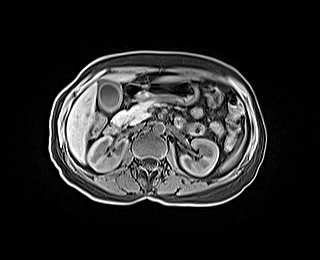 Magnetic resonance imaging, abdomen; axial view; 320x260 px; 13 organs annotated in this scan (that count is for the whole scan; organs this slice misses have no box)
<organs><organ name="gall bladder" x1="98" y1="79" x2="121" y2="111"/><organ name="duodenum" x1="105" y1="83" x2="185" y2="133"/><organ name="spleen" x1="219" y1="151" x2="238" y2="171"/><organ name="aorta" x1="153" y1="122" x2="164" y2="133"/><organ name="left kidney" x1="180" y1="139" x2="218" y2="175"/><organ name="inferior vena cava" x1="132" y1="124" x2="143" y2="129"/><organ name="stomach" x1="137" y1="80" x2="198" y2="103"/><organ name="right kidney" x1="88" y1="136" x2="127" y2="171"/><organ name="pancreas" x1="112" y1="100" x2="156" y2="125"/><organ name="liver" x1="67" y1="74" x2="176" y2="163"/></organs>